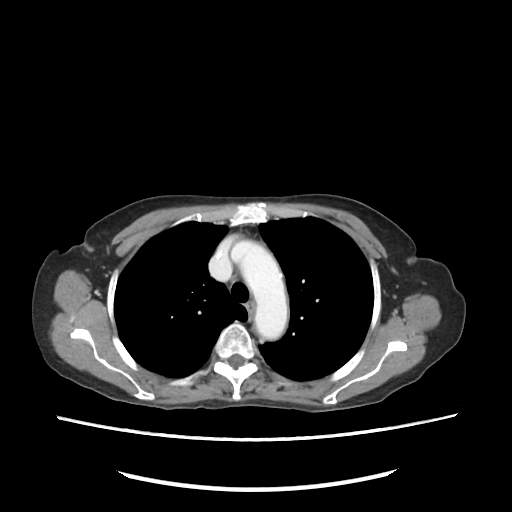 Chest-level slice from an abdominal CT that extends up into the chest · axial view · scan has 15 labeled organs (that count is for the whole scan; organs this slice misses have no box)
At this level of the chest no structure but the esophagus and the aorta has a label in this dataset, and those two are boxed only where they are labeled.
Bounding boxes as [x1, y1, x2, y2] in pixel coordinates.
Organ bounding boxes:
- aorta: [231, 240, 286, 338]